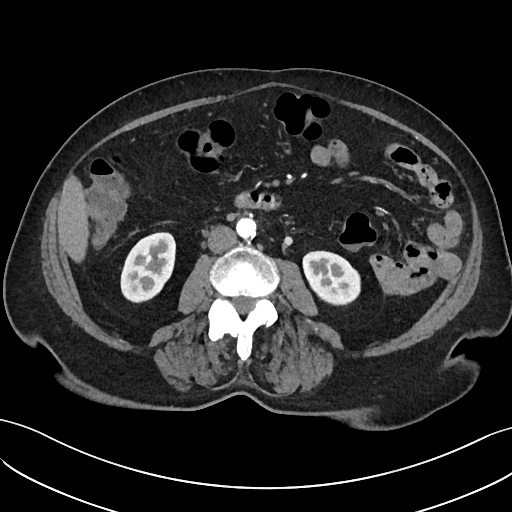 Abdominal CT. axial plane, index 103
Organ boxes in pixel coordinates; each row gives the top-left (x1, y1) and bottom-right (x2, y2) corners.
| organ | x1 | y1 | x2 | y2 |
|---|---|---|---|---|
| inferior vena cava | 207 | 225 | 236 | 252 |
| duodenum | 236 | 193 | 281 | 210 |
| liver | 57 | 175 | 88 | 261 |
| aorta | 236 | 217 | 256 | 238 |
| left kidney | 302 | 251 | 361 | 306 |
| right kidney | 120 | 232 | 175 | 303 |